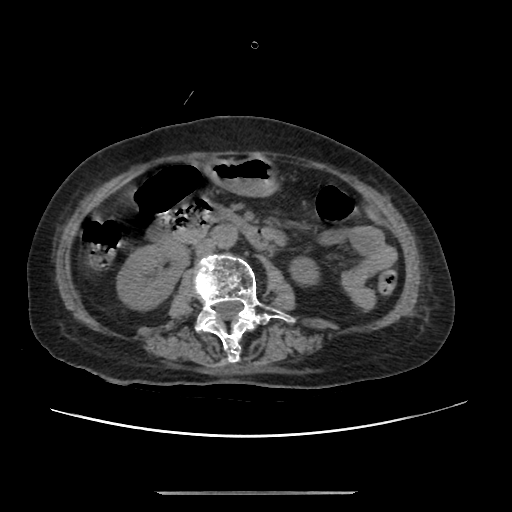 Abdominal CT. axial view. 14 organs annotated in this scan (that count is for the whole scan; organs this slice misses have no box)
<organs><organ name="right kidney" x1="117" y1="243" x2="188" y2="310"/><organ name="left kidney" x1="291" y1="257" x2="319" y2="284"/><organ name="stomach" x1="204" y1="156" x2="279" y2="197"/><organ name="aorta" x1="212" y1="225" x2="237" y2="248"/><organ name="inferior vena cava" x1="195" y1="239" x2="215" y2="256"/><organ name="duodenum" x1="151" y1="202" x2="269" y2="249"/></organs>